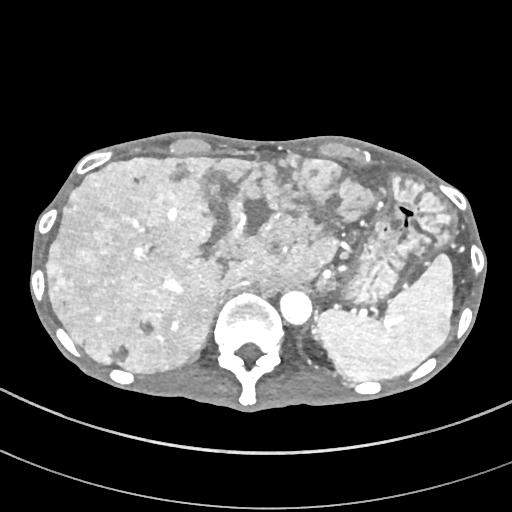
Abdominal CT; axial plane, index 175; abdomen soft-tissue window; 512x512 px
Box edges are left/top/right/bottom in pixels. Labeled organs on this slice: spleen at left=314, top=254, right=452, bottom=381, liver at left=47, top=152, right=380, bottom=372, stomach at left=336, top=172, right=455, bottom=306, aorta at left=280, top=291, right=312, bottom=325, inferior vena cava at left=217, top=280, right=250, bottom=301.